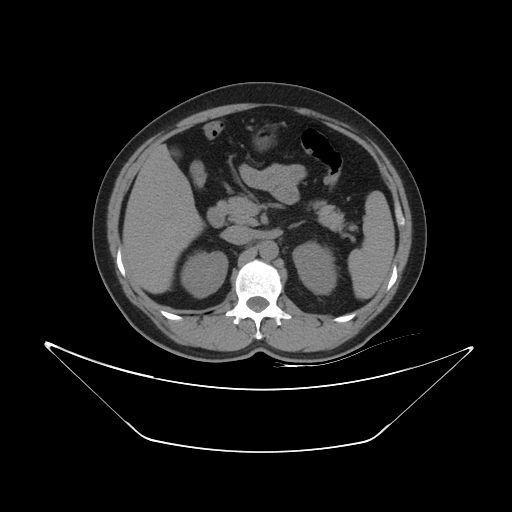
Abdominal CT; Axial slice 64/83; soft-tissue window; 512x512 px; 41-year-old male patient; Brilliance16 scanner
{"organs":{"spleen":[348,190,394,299],"right kidney":[180,250,227,297],"left kidney":[293,242,337,294],"gall bladder":[170,148,181,157],"liver":[122,144,204,293],"stomach":[254,129,274,149],"aorta":[259,240,278,259],"inferior vena cava":[223,225,252,244],"pancreas":[225,195,344,230],"left adrenal gland":[289,221,304,227],"duodenum":[207,200,226,227]}}